CT abdomen — axial plane, index 230 — abdomen soft-tissue window
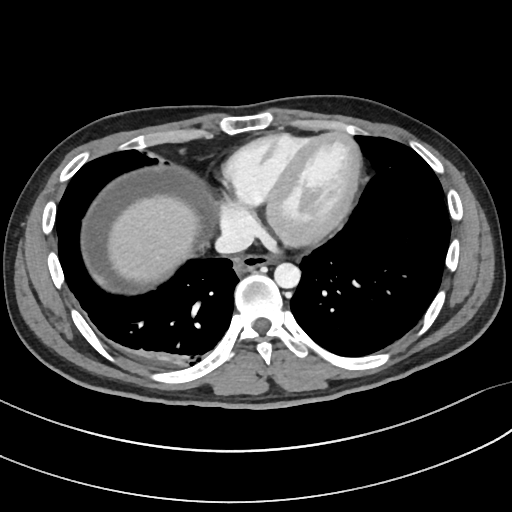 Coordinates as <box>x1,y1,x2,y2</box> in pixels. The annotated organs in this slice are: esophagus at <box>235,256,277,274</box>, liver at <box>107,193,198,284</box>, aorta at <box>274,262,300,288</box>, inferior vena cava at <box>216,225,253,254</box>.